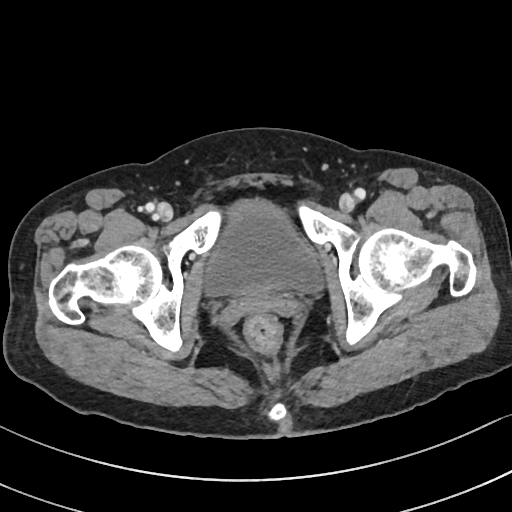

Computed tomography, abdomen. axial view. soft-tissue window (W 400 / L 40). SOMATOM Force scanner
{"organs":{"bladder":[202,199,322,296]}}